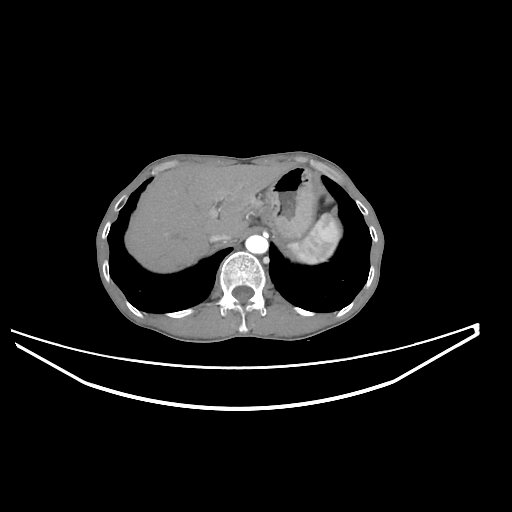

CT abdomen; axial view; W/L 400/40 HU; scan has 15 labeled organs (a whole-scan count: organs this slice does not pass through have no box)
Coordinates as <box>x1,y1,x2,y2</box> in pixels.
spleen: <box>287,214,341,264</box>
liver: <box>125,163,282,272</box>
stomach: <box>257,167,316,238</box>
aorta: <box>245,235,268,253</box>
inferior vena cava: <box>208,229,232,242</box>